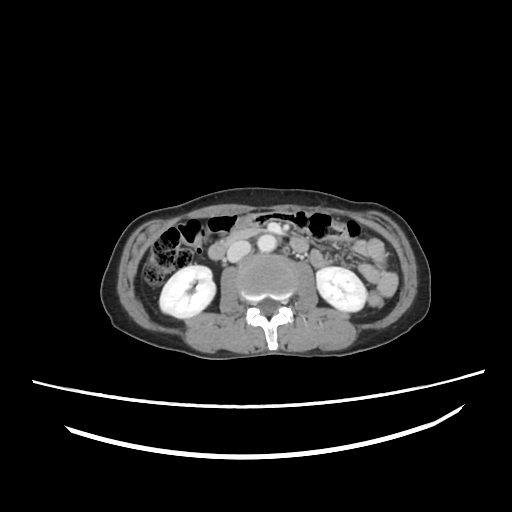
Abdominal CT — Axial slice 50/78 — 68-year-old female patient
Boxes: x1:y1:x2:y2 in pixels.
Organ bounding boxes:
- pancreas: 228:227:260:242
- left kidney: 316:267:367:312
- right kidney: 159:265:215:318
- duodenum: 207:240:228:259
- inferior vena cava: 226:240:250:262
- aorta: 257:234:277:251